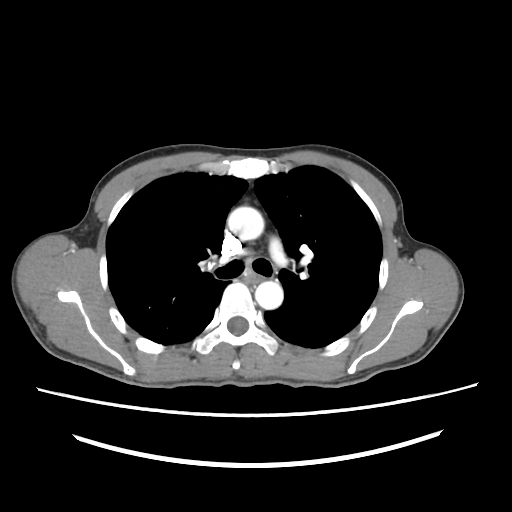

Chest-level slice from an abdominal CT that extends up into the chest. axial plane, index 70
On a slice this high in the chest, this dataset labels only the esophagus and the aorta, and each is boxed only where it is labeled; the heart, lungs and other chest structures are not labeled.
Bounding boxes in pixels, one row per box: x1, y1 is the top-left corner and x2, y2 the bottom-right.
| organ | x1 | y1 | x2 | y2 |
|---|---|---|---|---|
| aorta | 227 | 207 | 263 | 239 |
| aorta | 255 | 280 | 282 | 308 |